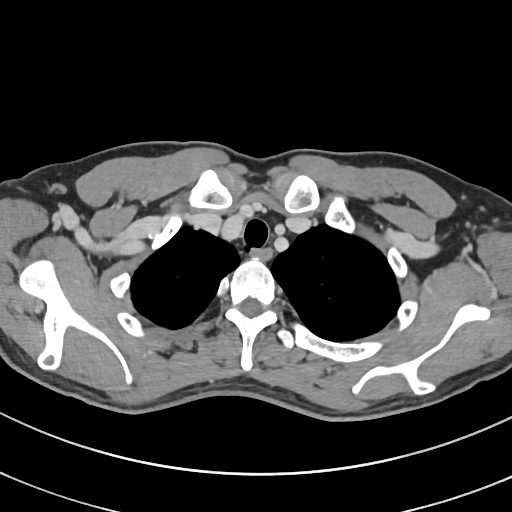

Abdominal CT reaching into the chest; this slice is in the chest; axial plane, index 272; 512x512 px
At this level of the chest this dataset labels only the esophagus and the aorta, and each is boxed only where it is labeled; the heart and lungs are never labeled.
One row per box, in pixels: columns x1 and y1 give the top-left corner, x2 and y2 the bottom-right.
| organ | x1 | y1 | x2 | y2 |
|---|---|---|---|---|
| esophagus | 251 | 246 | 272 | 260 |